Abdominal CT reaching into the chest; this slice is in the chest. axial view. soft-tissue window (W 400 / L 40). SOMATOM Force scanner
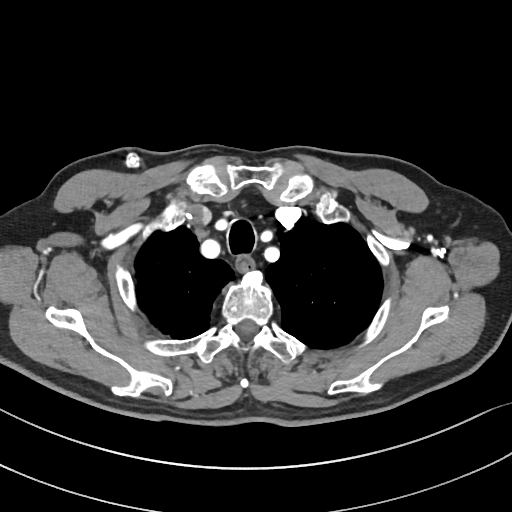
At this level of the chest no structure but the esophagus and the aorta has a label in this dataset, and those two are boxed only where they are labeled.
Organ boxes in pixel coordinates; each row gives the top-left (x1, y1) and bottom-right (x2, y2) corners.
| organ | x1 | y1 | x2 | y2 |
|---|---|---|---|---|
| esophagus | 236 | 256 | 254 | 271 |